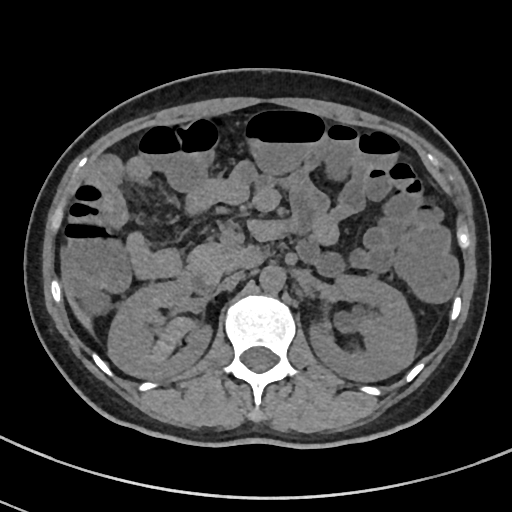 Abdominal CT · axial plane, index 151 · 512x512 px
<organs><organ name="right kidney" x1="107" y1="281" x2="212" y2="378"/><organ name="left kidney" x1="309" y1="275" x2="416" y2="381"/><organ name="liver" x1="69" y1="298" x2="90" y2="328"/><organ name="aorta" x1="259" y1="265" x2="285" y2="292"/><organ name="inferior vena cava" x1="217" y1="272" x2="244" y2="291"/><organ name="pancreas" x1="187" y1="242" x2="251" y2="283"/><organ name="duodenum" x1="180" y1="250" x2="262" y2="293"/></organs>